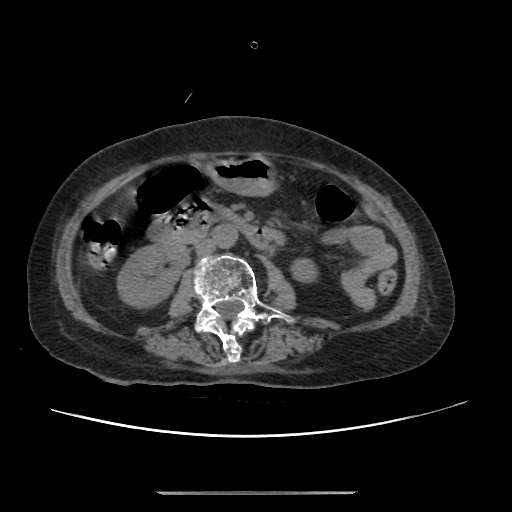 CT abdomen · axial view · W/L 400/40 HU
{"organs":{"right kidney":[118,244,187,304],"left kidney":[293,260,315,281],"stomach":[210,157,272,194],"aorta":[214,224,238,247],"inferior vena cava":[195,239,216,256],"duodenum":[149,199,271,248]}}